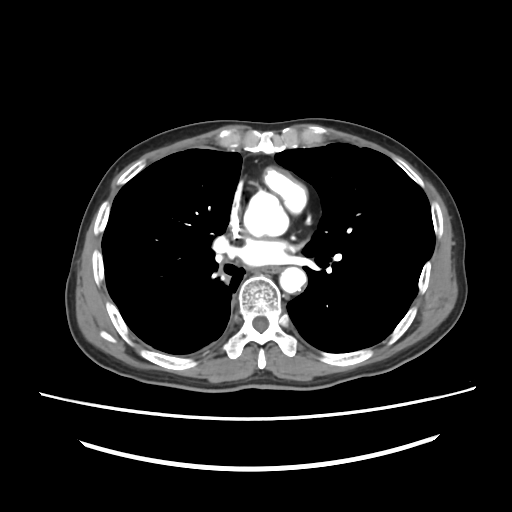

Abdominal CT reaching into the chest; this slice is in the chest · axial view
At this level of the chest no structure but the esophagus and the aorta has a label in this dataset, and those two are boxed only where they are labeled.
Coordinates as <box>x1,y1,x2,y2</box> in pixels.
aorta: <box>243,192,288,238</box>
aorta: <box>279,267,306,295</box>
esophagus: <box>260,266,279,272</box>